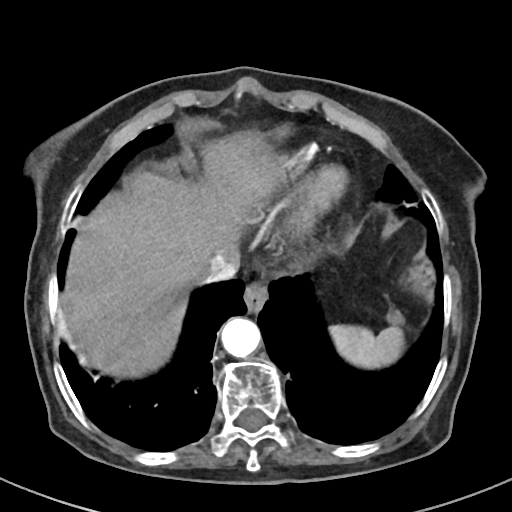 Abdominal CT — axial plane, index 177 — scan has 15 labeled organs (counted over the whole 3D scan, not this slice; an organ is boxed only where this slice passes through it)
Organ boxes in pixel coordinates; each row gives the top-left (x1, y1) and bottom-right (x2, y2) corners.
| organ | x1 | y1 | x2 | y2 |
|---|---|---|---|---|
| spleen | 328 | 324 | 402 | 369 |
| esophagus | 243 | 282 | 267 | 313 |
| liver | 64 | 135 | 315 | 377 |
| aorta | 221 | 318 | 260 | 358 |
| inferior vena cava | 200 | 250 | 236 | 282 |